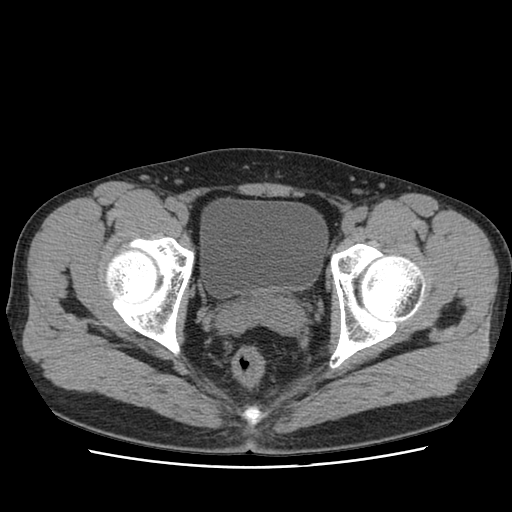

Computed tomography, abdomen · axial view · 512x512 px
Box edges are left/top/right/bottom in pixels.
Organ bounding boxes:
- bladder: left=202, top=200, right=325, bottom=294
- prostate/uterus: left=250, top=286, right=279, bottom=310